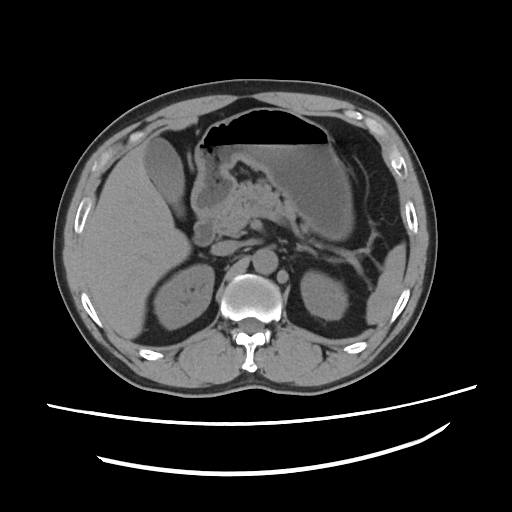

Computed tomography, abdomen; axial view; W/L 400/40 HU
Bounding boxes as [x1, y1, x2, y2] in pixel coordinates. 11 labeled organs on this slice — spleen at [366, 244, 405, 323]; right kidney at [155, 265, 214, 329]; left kidney at [301, 271, 348, 320]; gall bladder at [145, 137, 184, 219]; liver at [82, 118, 196, 341]; stomach at [191, 106, 351, 240]; aorta at [253, 248, 279, 274]; inferior vena cava at [211, 240, 238, 254]; pancreas at [214, 181, 298, 235]; left adrenal gland at [295, 242, 315, 254]; duodenum at [193, 214, 213, 246].